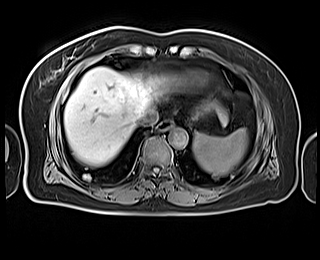 Abdominal MRI · axial view
Boxes: x1:y1:x2:y2 in pixels.
spleen: 192:128:248:175
esophagus: 157:119:173:130
liver: 64:67:228:165
aorta: 168:128:187:147
inferior vena cava: 137:108:158:126